CT, abdomen/pelvis — Axial slice 151/305 — W/L 400/40 HU — 512x512 px
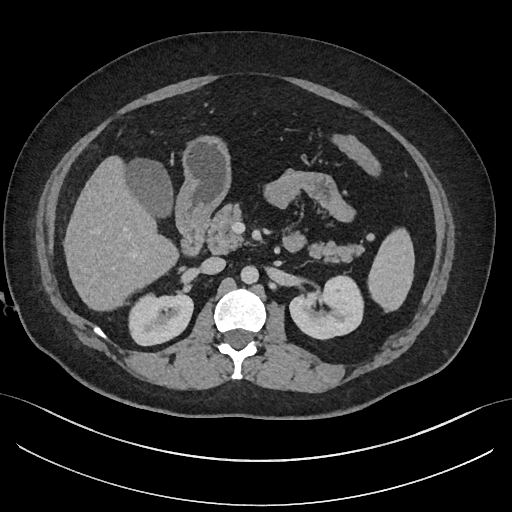 One row per box, in pixels: columns x1 and y1 give the top-left corner, x2 and y2 the bottom-right.
| organ | x1 | y1 | x2 | y2 |
|---|---|---|---|---|
| spleen | 369 | 229 | 414 | 308 |
| right kidney | 130 | 294 | 193 | 345 |
| left kidney | 289 | 276 | 361 | 339 |
| gall bladder | 126 | 157 | 173 | 219 |
| liver | 64 | 155 | 179 | 311 |
| stomach | 176 | 134 | 229 | 236 |
| aorta | 241 | 266 | 259 | 284 |
| inferior vena cava | 198 | 257 | 225 | 274 |
| pancreas | 207 | 201 | 363 | 263 |
| duodenum | 179 | 229 | 305 | 255 |